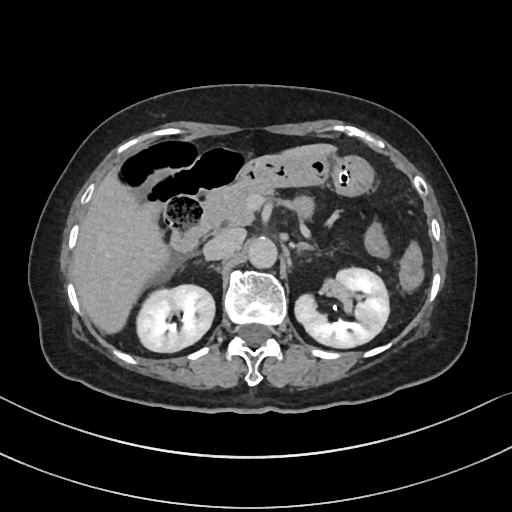 CT abdomen — Axial slice 154/212 — abdomen soft-tissue window — 512x512 px — scan has 15 labeled organs (a whole-scan count: organs this slice does not pass through have no box)
{"organs":{"duodenum":[169,163,256,252],"aorta":[247,237,277,268],"inferior vena cava":[203,229,244,260],"left kidney":[295,267,389,348],"pancreas":[206,181,274,226],"stomach":[250,154,374,196],"left adrenal gland":[297,244,311,251],"right kidney":[136,284,214,352],"liver":[71,143,336,333]}}